Abdominal CT; this slice is in the lower chest, just above the liver · axial view · 15 organs annotated in this scan (a whole-scan count: organs this slice does not pass through have no box)
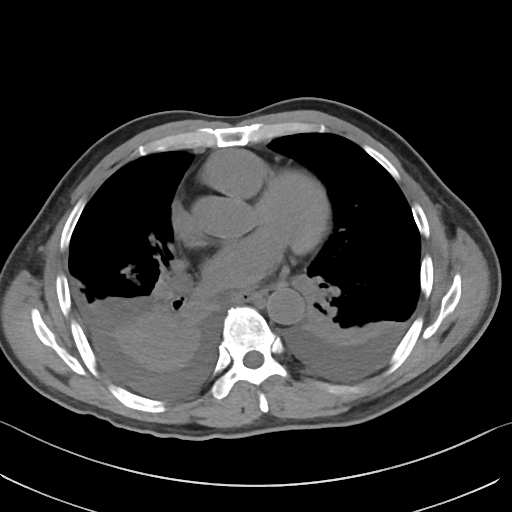

The heart and lungs are never labeled in this dataset, so they have no box on this slice. Box edges are left/top/right/bottom in pixels. The annotated organs in this slice are: esophagus at left=231, top=293, right=261, bottom=301, aorta at left=266, top=287, right=304, bottom=324.